CT, abdomen/pelvis · axial view · abdomen soft-tissue window · 512x512 px
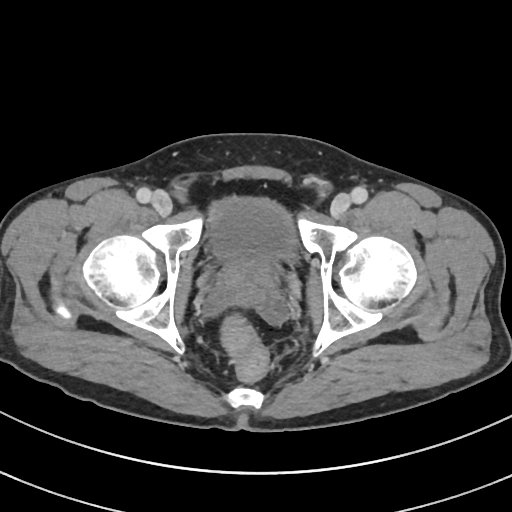 <organs><organ name="prostate/uterus" x1="220" y1="258" x2="274" y2="291"/><organ name="bladder" x1="210" y1="197" x2="296" y2="261"/></organs>